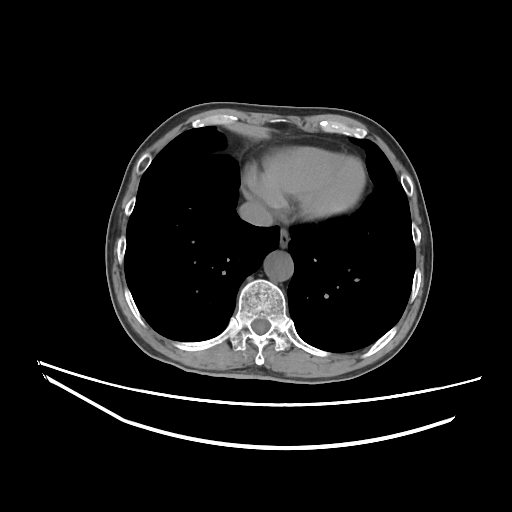 Abdominal CT; this slice is in the lower chest, just above the liver. Axial slice 88/89. soft-tissue window, W/L 400/40. 68-year-old male patient
No part of the heart or lungs is labeled in this dataset, so neither has a box here.
One row per box, in pixels: columns x1 and y1 give the top-left corner, x2 and y2 the bottom-right.
| organ | x1 | y1 | x2 | y2 |
|---|---|---|---|---|
| esophagus | 279 | 229 | 289 | 247 |
| aorta | 264 | 251 | 293 | 281 |
| inferior vena cava | 238 | 201 | 273 | 226 |